Chest-level CT slice, above the liver and spleen; axial view
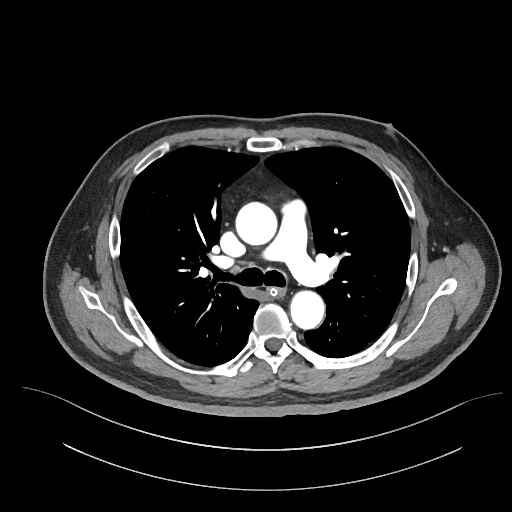

At this level of the chest no structure but the esophagus and the aorta has a label in this dataset, and those two are boxed only where they are labeled.
<organs><organ name="esophagus" x1="269" y1="288" x2="285" y2="296"/><organ name="aorta" x1="235" y1="202" x2="277" y2="245"/><organ name="aorta" x1="290" y1="290" x2="324" y2="329"/></organs>